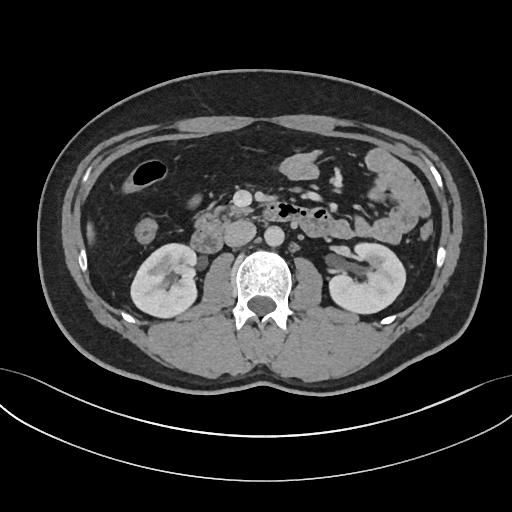

Computed tomography, abdomen — axial plane, index 161 — 512x512 px
{"organs":{"right kidney":[131,243,196,317],"left kidney":[329,243,405,313],"liver":[87,223,93,241],"aorta":[264,226,284,246],"inferior vena cava":[224,220,256,246],"pancreas":[196,205,250,222],"duodenum":[191,202,330,252]}}